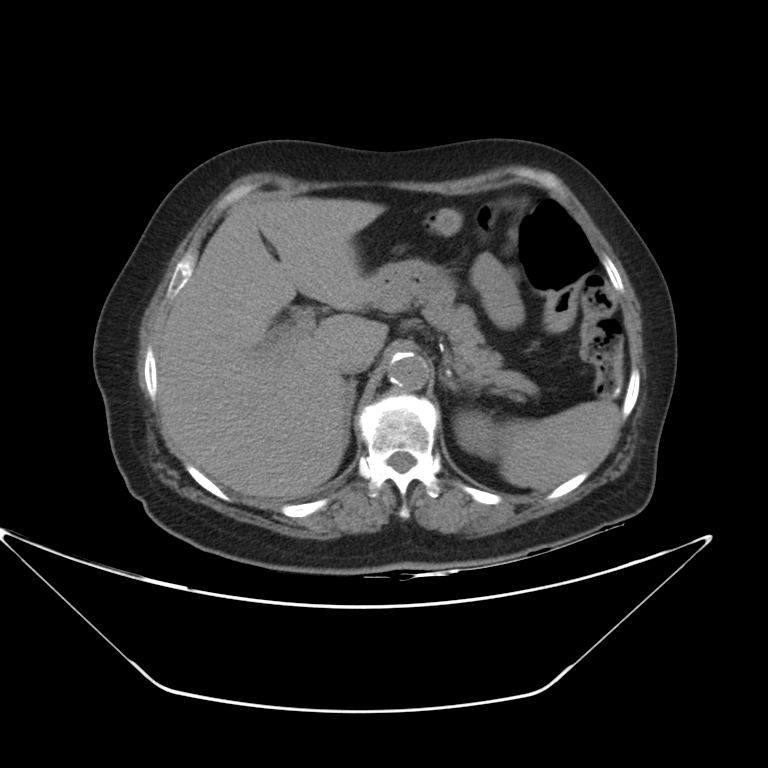

CT, abdomen/pelvis · Axial slice 73/97 · W/L 400/40 HU · scan has 15 labeled organs (counted over the whole 3D scan, not this slice; an organ is boxed only where this slice passes through it)
Bounding boxes in pixels, one row per box: x1, y1 is the top-left corner and x2, y2 the bottom-right.
| organ | x1 | y1 | x2 | y2 |
|---|---|---|---|---|
| right adrenal gland | 343 | 379 | 357 | 449 |
| spleen | 500 | 400 | 619 | 491 |
| left adrenal gland | 441 | 372 | 477 | 391 |
| left kidney | 454 | 411 | 504 | 458 |
| pancreas | 384 | 294 | 538 | 394 |
| aorta | 388 | 352 | 429 | 390 |
| stomach | 369 | 259 | 456 | 306 |
| inferior vena cava | 338 | 350 | 374 | 375 |
| liver | 158 | 197 | 387 | 498 |